CT abdomen; axial view; soft-tissue window; acquired on SOMATOM Force
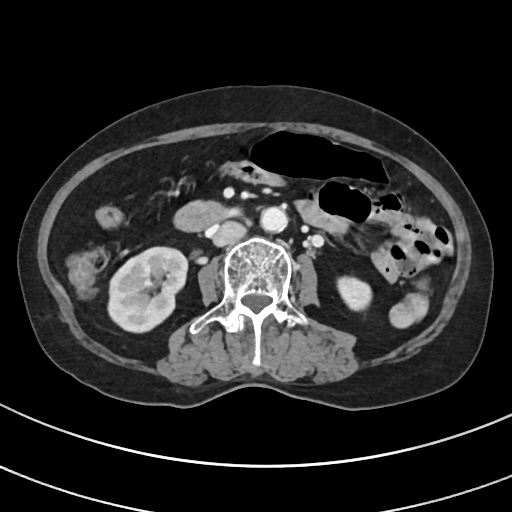 <organs><organ name="inferior vena cava" x1="214" y1="220" x2="246" y2="244"/><organ name="right kidney" x1="108" y1="247" x2="188" y2="332"/><organ name="duodenum" x1="174" y1="201" x2="240" y2="231"/><organ name="left kidney" x1="335" y1="277" x2="371" y2="309"/><organ name="aorta" x1="262" y1="207" x2="288" y2="232"/></organs>